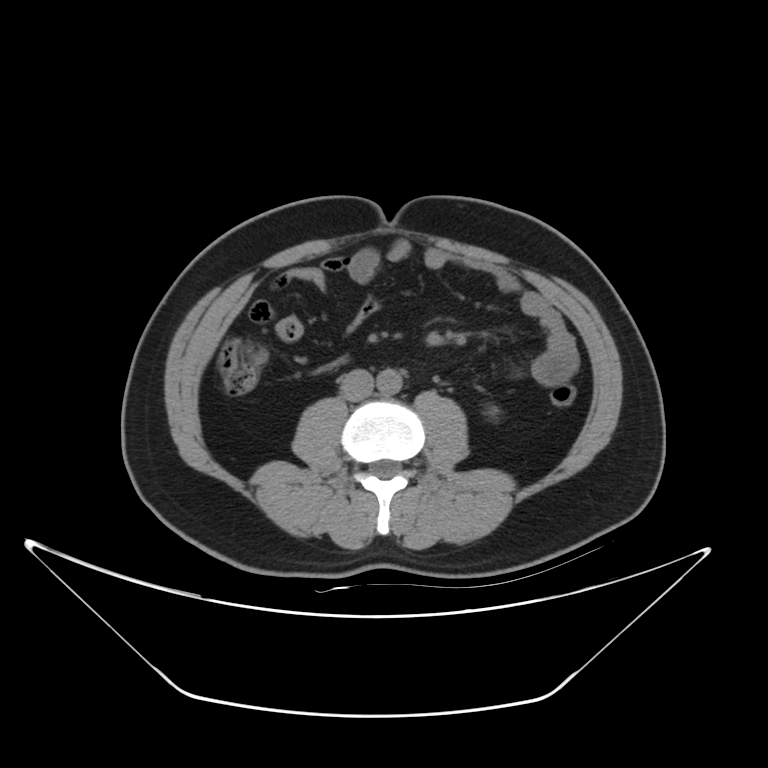 Computed tomography, abdomen. Axial slice 58/93. soft-tissue window
{"organs":{"left kidney":[491,410,494,413],"aorta":[376,369,401,395],"inferior vena cava":[340,369,373,401]}}